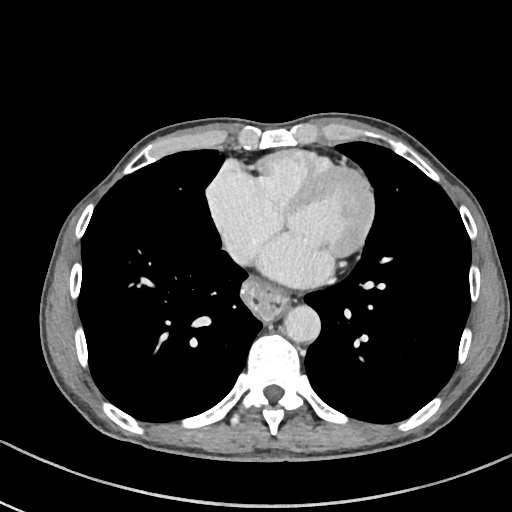 Lower-chest slice from an abdominal CT, just above the liver and spleen · Axial slice 213/306 · W/L 400/40 HU · 512x512 px · acquired on SOMATOM Force · scan has 15 labeled organs (that count is for the whole scan; organs this slice misses have no box)
The heart and lungs are never labeled in this dataset, so they have no box on this slice.
<organs><organ name="esophagus" x1="242" y1="278" x2="289" y2="319"/><organ name="aorta" x1="284" y1="305" x2="320" y2="342"/><organ name="inferior vena cava" x1="233" y1="248" x2="239" y2="255"/></organs>